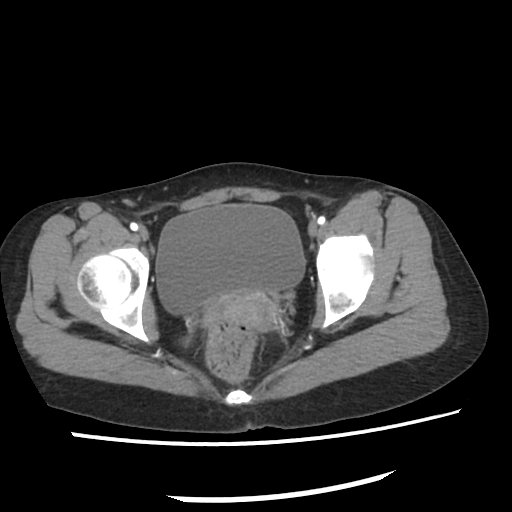

Computed tomography, abdomen; axial view; soft-tissue window; acquired on Aquilion ONE
Boxes: x1 y1 x2 y2 (pixel coords, space-separated).
bladder: 155 205 304 315
prostate/uterus: 219 288 263 328